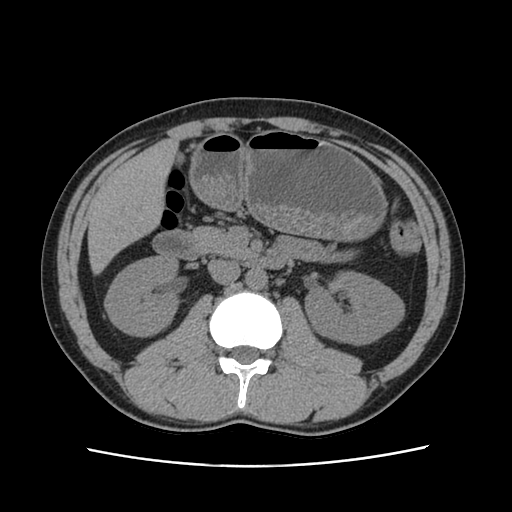 Computed tomography, abdomen · axial plane, index 113 · soft-tissue window · 512x512 px
One row per box, in pixels: columns x1 and y1 give the top-left corner, x2 and y2 the bottom-right.
| organ | x1 | y1 | x2 | y2 |
|---|---|---|---|---|
| aorta | 245 | 269 | 267 | 291 |
| right kidney | 104 | 256 | 177 | 337 |
| pancreas | 190 | 226 | 249 | 257 |
| gall bladder | 175 | 152 | 185 | 162 |
| liver | 86 | 138 | 180 | 274 |
| inferior vena cava | 207 | 260 | 240 | 283 |
| duodenum | 153 | 230 | 292 | 269 |
| left kidney | 306 | 272 | 404 | 346 |
| stomach | 191 | 129 | 388 | 242 |